Computed tomography, abdomen. Axial slice 35/140. abdomen soft-tissue window
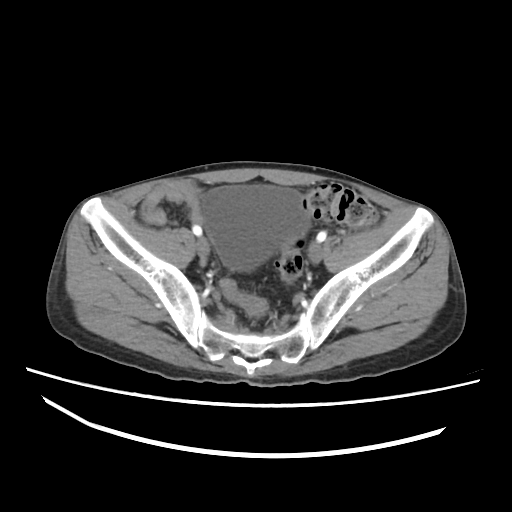

<organs><organ name="bladder" x1="201" y1="185" x2="309" y2="270"/></organs>